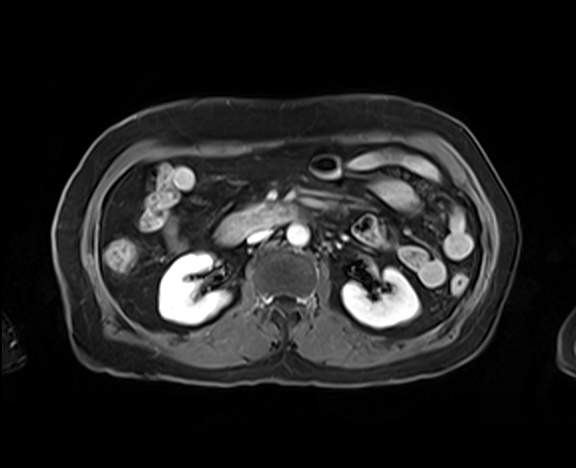
Abdominal MRI. axial plane, index 18
Each box given as x1,y1,x2,y2. Labeled organs on this slice: left kidney at x1=342, y1=267, x2=419, y2=327, aorta at x1=286, y1=224, x2=308, y2=246, duodenum at x1=218, y1=205, x2=296, y2=243, right kidney at x1=158, y1=252, x2=229, y2=324, inferior vena cava at x1=247, y1=229, x2=271, y2=244.